CT of the abdomen extending into the chest, slice through the chest; axial plane, index 250
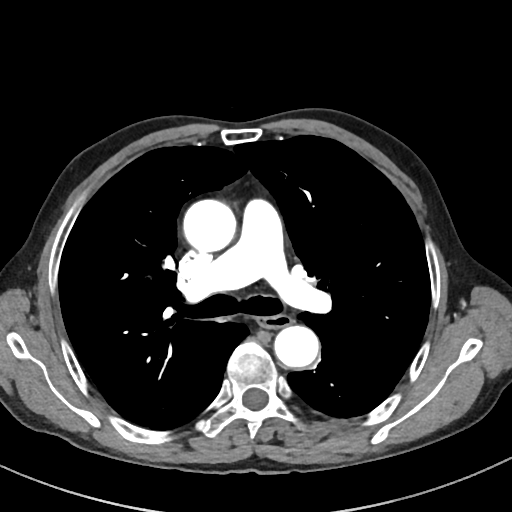

At this level of the chest this dataset labels only the esophagus and the aorta, and each is boxed only where it is labeled; the heart and lungs are never labeled.
<organs><organ name="esophagus" x1="259" y1="314" x2="290" y2="329"/><organ name="aorta" x1="183" y1="199" x2="236" y2="252"/><organ name="aorta" x1="274" y1="326" x2="319" y2="368"/></organs>